Abdominal CT; Axial slice 170/291; abdomen soft-tissue window; 512x512 px
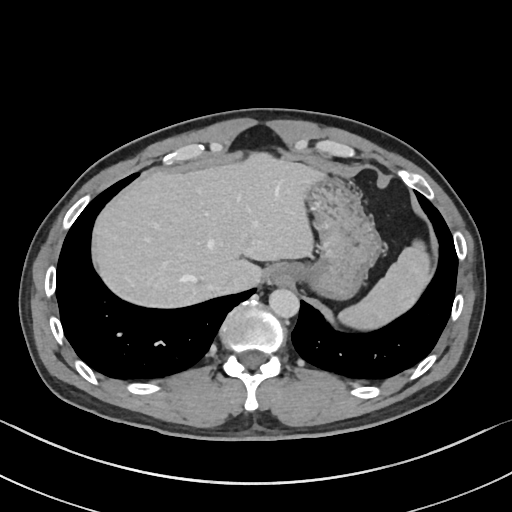 Boxes: x1 y1 x2 y2 (pixel coords, space-separated).
Organ bounding boxes:
- spleen: 338 240 430 329
- esophagus: 267 265 291 284
- liver: 92 152 326 307
- stomach: 285 171 382 299
- aorta: 269 288 299 318
- inferior vena cava: 208 278 230 292